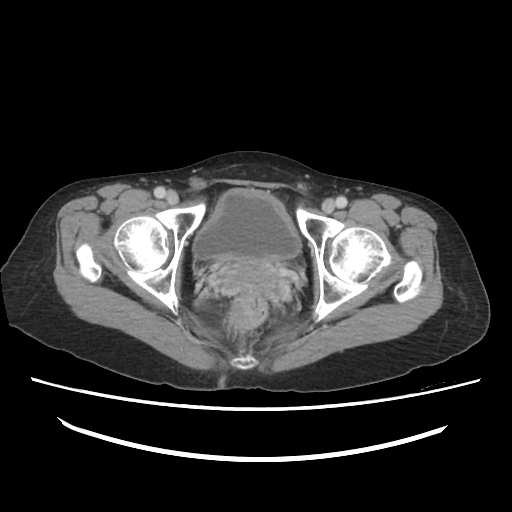 CT abdomen. axial plane, index 13. 54-year-old female patient. Aquilion ONE scanner
Bounding boxes as [x1, y1, x2, y2] in pixel coordinates.
Organ bounding boxes:
- bladder: [194, 188, 300, 260]